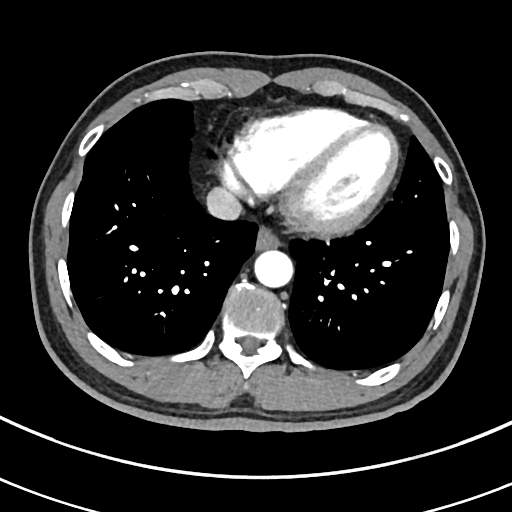

Abdominal CT; this slice is in the lower chest, just above the liver · axial view · 512x512 px · acquired on SOMATOM Force
Of the structures in the chest, this dataset labels only the esophagus, the aorta and the inferior vena cava; the heart and lungs have no label.
{"organs":{"esophagus":[256,225,280,249],"aorta":[253,249,292,287],"inferior vena cava":[206,188,242,220]}}